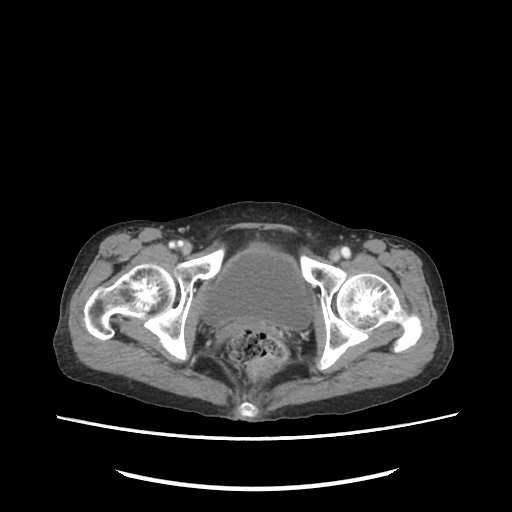

Computed tomography, abdomen; axial plane, index 17; acquired on Aquilion ONE
Boxes are (x1, y1, x2, y2) in pixels.
bladder: (202, 252, 309, 330)